Abdominal CT · axial view · abdomen soft-tissue window
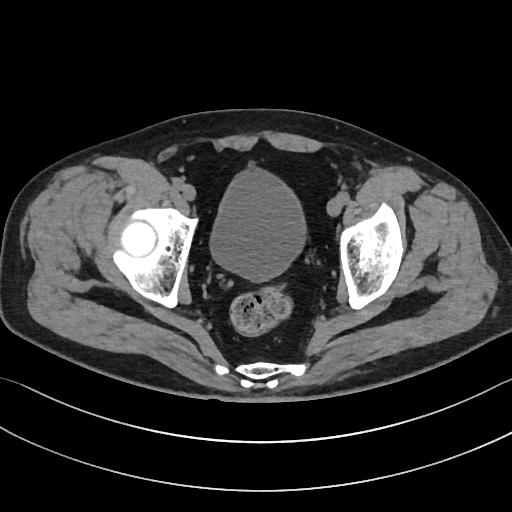
<organs><organ name="bladder" x1="210" y1="169" x2="305" y2="280"/></organs>